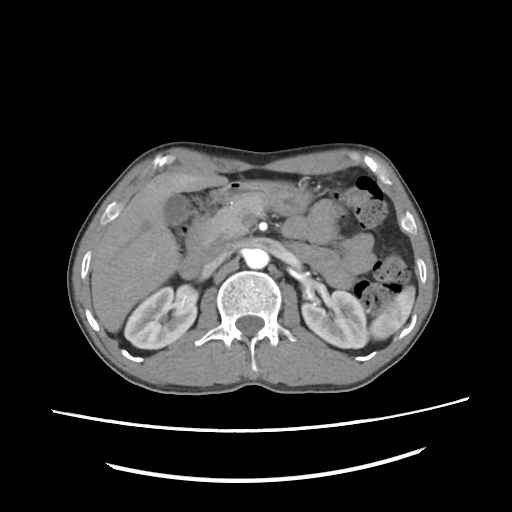
CT abdomen — axial view — soft-tissue window — 512x512 px — 15 organs annotated in this scan (counted over the whole 3D scan, not this slice; an organ is boxed only where this slice passes through it)
Each box given as x1,y1,x2,y2. 10 labeled organs on this slice — spleen at x1=370, y1=286, x2=415, y2=339; right kidney at x1=124, y1=284, x2=198, y2=348; left kidney at x1=303, y1=290, x2=367, y2=346; gall bladder at x1=163, y1=194, x2=187, y2=229; liver at x1=92, y1=171, x2=284, y2=331; stomach at x1=216, y1=181, x2=307, y2=216; aorta at x1=245, y1=248, x2=267, y2=268; inferior vena cava at x1=204, y1=242, x2=234, y2=265; pancreas at x1=202, y1=190, x2=267, y2=247; duodenum at x1=178, y1=220, x2=203, y2=280.